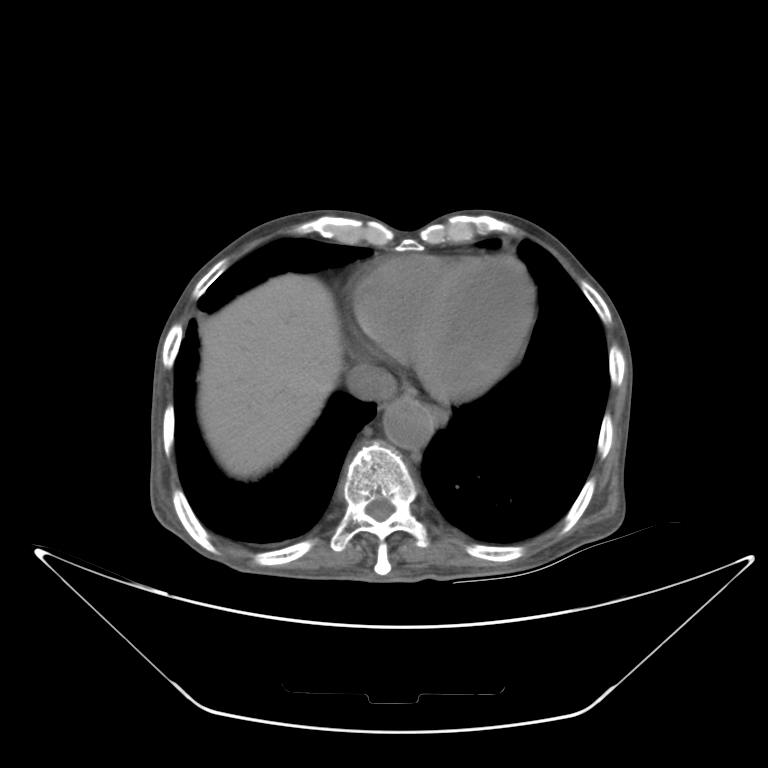 CT, abdomen/pelvis · axial view · soft-tissue window
Each box given as x1,y1,x2,y2.
esophagus: x1=426, y1=405, x2=448, y2=423
liver: x1=199, y1=274, x2=343, y2=477
aorta: x1=383, y1=399, x2=433, y2=449
inferior vena cava: x1=346, y1=364, x2=397, y2=398